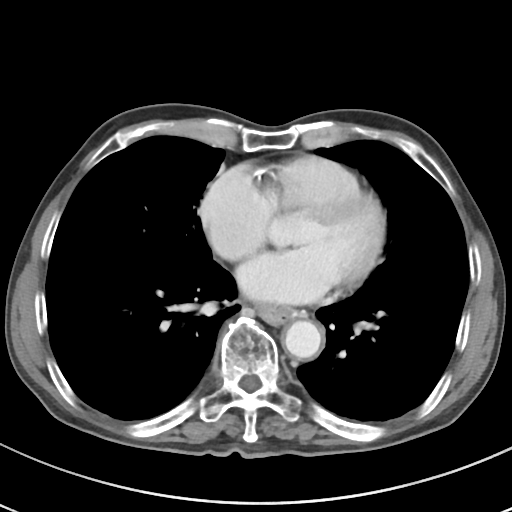

CT of the abdomen reaching into the lower chest, slice just above the liver and spleen; axial plane, index 83; soft-tissue window (W 400 / L 40); SOMATOM Force scanner; 15 organs annotated in this scan (a whole-scan count: organs this slice does not pass through have no box)
The heart and lungs are never labeled in this dataset, so they have no box on this slice.
Bounding boxes in pixels, one row per box: x1, y1 is the top-left corner and x2, y2 the bottom-right.
| organ | x1 | y1 | x2 | y2 |
|---|---|---|---|---|
| aorta | 284 | 320 | 321 | 358 |
| esophagus | 256 | 306 | 297 | 324 |